Computed tomography, abdomen. axial view. 512x512 px
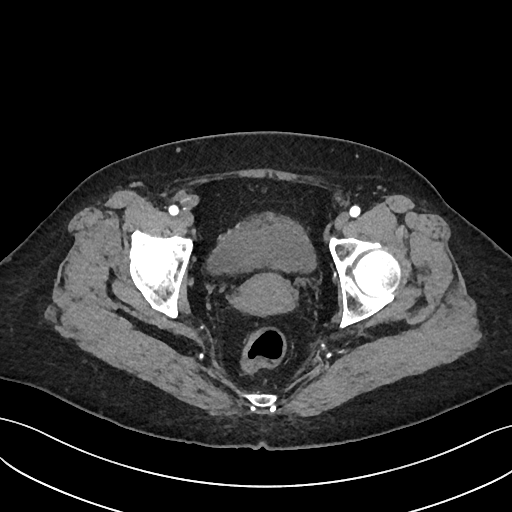 Each box given as x1,y1,x2,y2.
Organ bounding boxes:
- bladder: x1=209, y1=213, x2=317, y2=274
- prostate/uterus: x1=234, y1=274, x2=295, y2=314